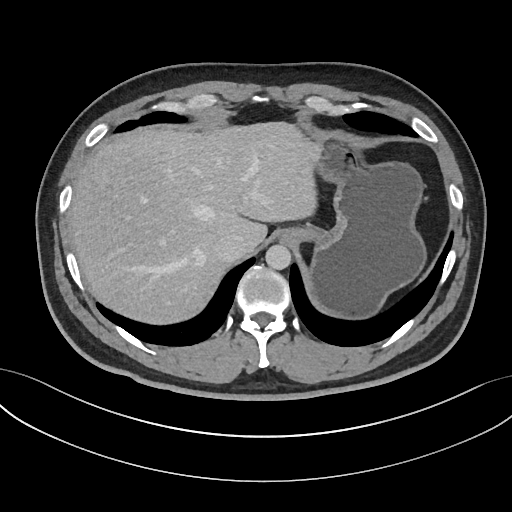 Abdominal CT. axial plane, index 219. 512x512 px. 15 organs annotated in this scan (a whole-scan count: organs this slice does not pass through have no box)
{"organs":{"liver":[68,121,320,326],"stomach":[282,135,426,320],"aorta":[265,244,290,269],"inferior vena cava":[213,233,245,262]}}